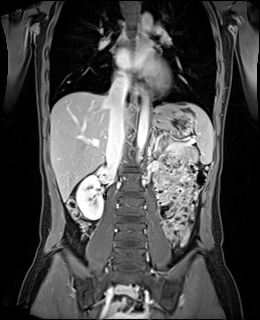 Magnetic resonance imaging, abdomen; coronal view
<organs><organ name="spleen" x1="186" y1="104" x2="213" y2="164"/><organ name="right kidney" x1="76" y1="167" x2="107" y2="220"/><organ name="left kidney" x1="172" y1="147" x2="178" y2="154"/><organ name="esophagus" x1="138" y1="86" x2="144" y2="102"/><organ name="esophagus" x1="137" y1="25" x2="143" y2="43"/><organ name="liver" x1="50" y1="92" x2="187" y2="201"/><organ name="stomach" x1="152" y1="109" x2="194" y2="135"/><organ name="aorta" x1="136" y1="101" x2="148" y2="162"/><organ name="aorta" x1="141" y1="12" x2="152" y2="30"/><organ name="inferior vena cava" x1="106" y1="77" x2="129" y2="170"/><organ name="pancreas" x1="176" y1="149" x2="191" y2="151"/><organ name="left adrenal gland" x1="150" y1="128" x2="155" y2="146"/></organs>